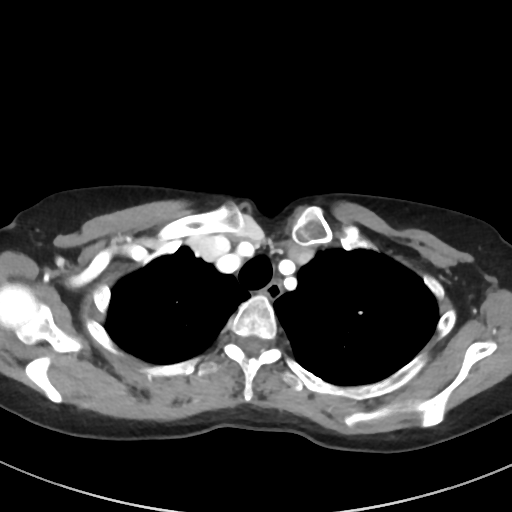

Chest-level CT slice, above the liver and spleen. axial view. soft-tissue window. 512x512 px. SOMATOM Force scanner. scan has 15 labeled organs (a whole-scan count: organs this slice does not pass through have no box)
On a slice this high in the chest, this dataset labels only the esophagus and the aorta, and each is boxed only where it is labeled; the heart, lungs and other chest structures are not labeled. Boxes: x1 y1 x2 y2 (pixel coords, space-separated). The annotated organs in this slice are: esophagus at 264 283 281 298.